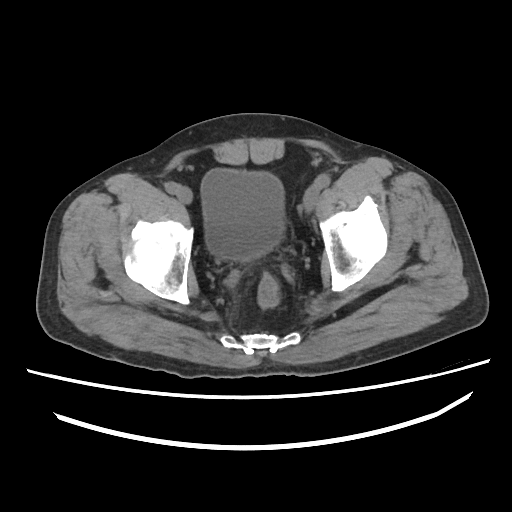

Abdominal CT — Axial slice 28/95 — abdomen soft-tissue window — acquired on Aquilion ONE
Organ boxes in pixel coordinates; each row gives the top-left (x1, y1) and bottom-right (x2, y2) corners.
| organ | x1 | y1 | x2 | y2 |
|---|---|---|---|---|
| bladder | 200 | 168 | 284 | 260 |